Abdominal CT. axial plane, index 85. 512x512 px
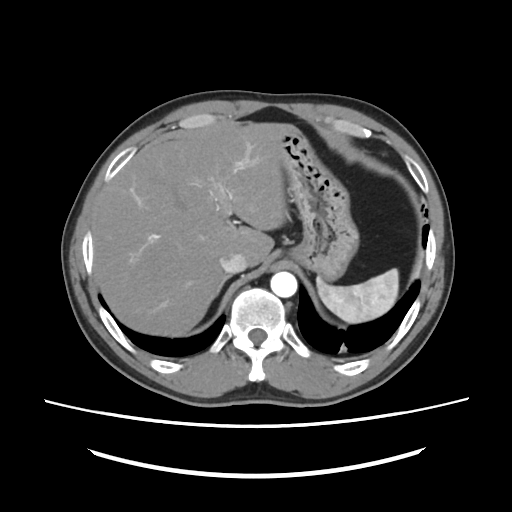

<organs><organ name="spleen" x1="317" y1="268" x2="398" y2="323"/><organ name="liver" x1="93" y1="122" x2="288" y2="336"/><organ name="stomach" x1="278" y1="124" x2="358" y2="280"/><organ name="aorta" x1="270" y1="271" x2="297" y2="297"/><organ name="inferior vena cava" x1="220" y1="252" x2="246" y2="273"/><organ name="right adrenal gland" x1="219" y1="275" x2="231" y2="291"/></organs>